CT abdomen — axial plane, index 125 — soft-tissue window (W 400 / L 40)
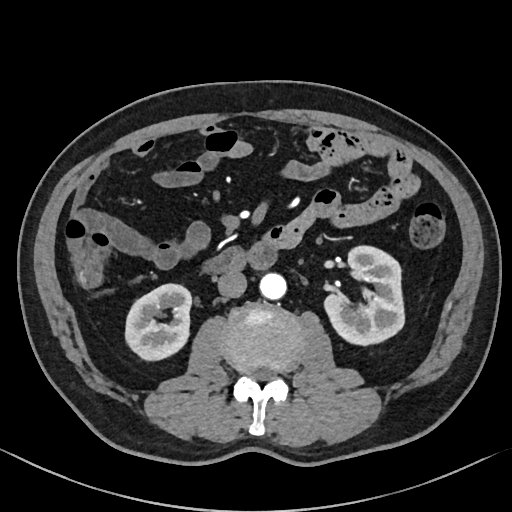
One row per box, in pixels: columns x1 and y1 give the top-left corner, x2 and y2 the bottom-right.
| organ | x1 | y1 | x2 | y2 |
|---|---|---|---|---|
| left kidney | 323 | 245 | 403 | 346 |
| inferior vena cava | 218 | 270 | 246 | 297 |
| aorta | 260 | 273 | 286 | 300 |
| right kidney | 124 | 283 | 191 | 361 |
| duodenum | 198 | 240 | 280 | 275 |